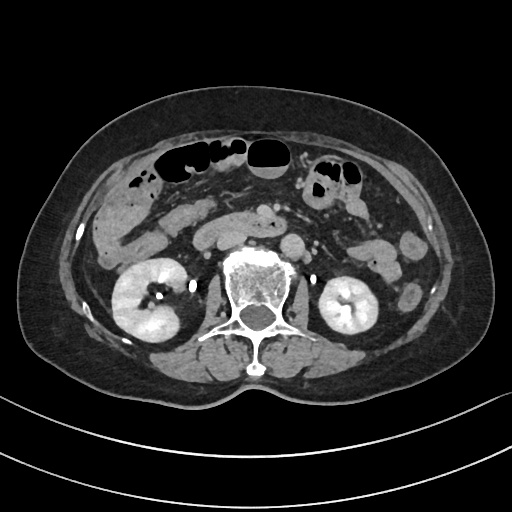

CT, abdomen/pelvis · Axial slice 131/212
<organs><organ name="right kidney" x1="112" y1="258" x2="186" y2="342"/><organ name="left kidney" x1="318" y1="276" x2="377" y2="333"/><organ name="aorta" x1="280" y1="234" x2="304" y2="258"/><organ name="inferior vena cava" x1="217" y1="229" x2="246" y2="249"/><organ name="duodenum" x1="193" y1="212" x2="286" y2="250"/></organs>